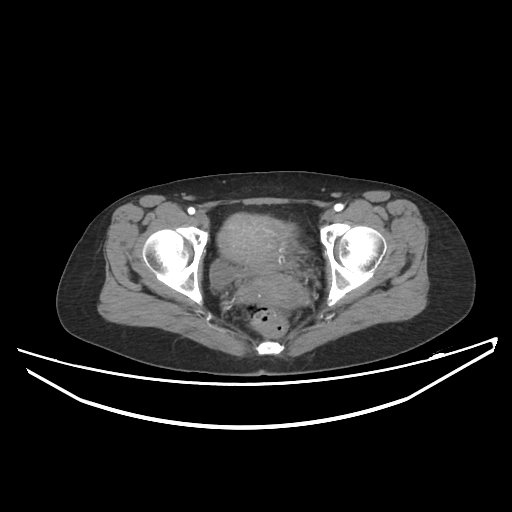
CT, abdomen/pelvis — axial view
Boxes: x1 y1 x2 y2 (pixel coords, space-separated).
bladder: 209 260 238 289
prostate/uterus: 217 213 306 308